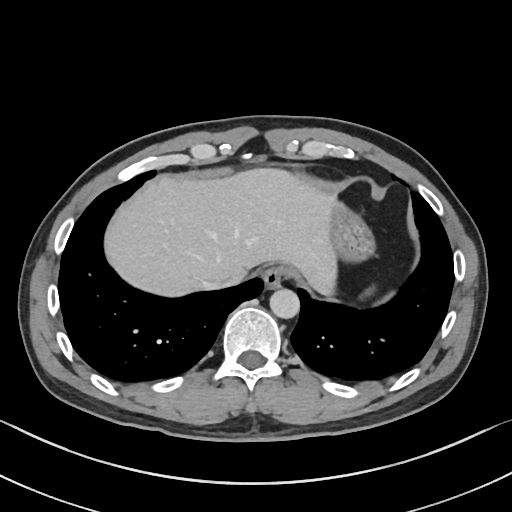

CT, abdomen/pelvis · Axial slice 176/291 · SOMATOM Force scanner
Boxes are (x1, y1, x2, y2) in pixels. The annotated organs in this slice are: esophagus at (262, 265, 291, 287), liver at (104, 166, 337, 297), stomach at (327, 191, 374, 259), aorta at (270, 288, 299, 318), inferior vena cava at (205, 275, 231, 289).